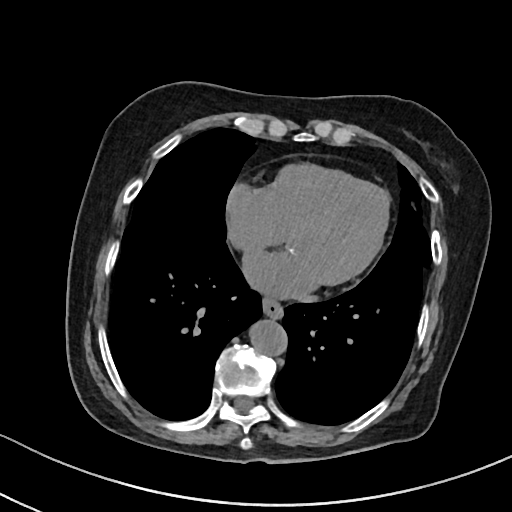
Abdominal CT; this slice is in the lower chest, just above the liver — axial plane, index 199 — 15 organs annotated in this scan (counted over the whole 3D scan, not this slice; an organ is boxed only where this slice passes through it)
No part of the heart or lungs is labeled in this dataset, so neither has a box here.
Organ boxes in pixel coordinates; each row gives the top-left (x1, y1) and bottom-right (x2, y2) corners.
| organ | x1 | y1 | x2 | y2 |
|---|---|---|---|---|
| esophagus | 262 | 297 | 282 | 317 |
| aorta | 249 | 318 | 285 | 354 |